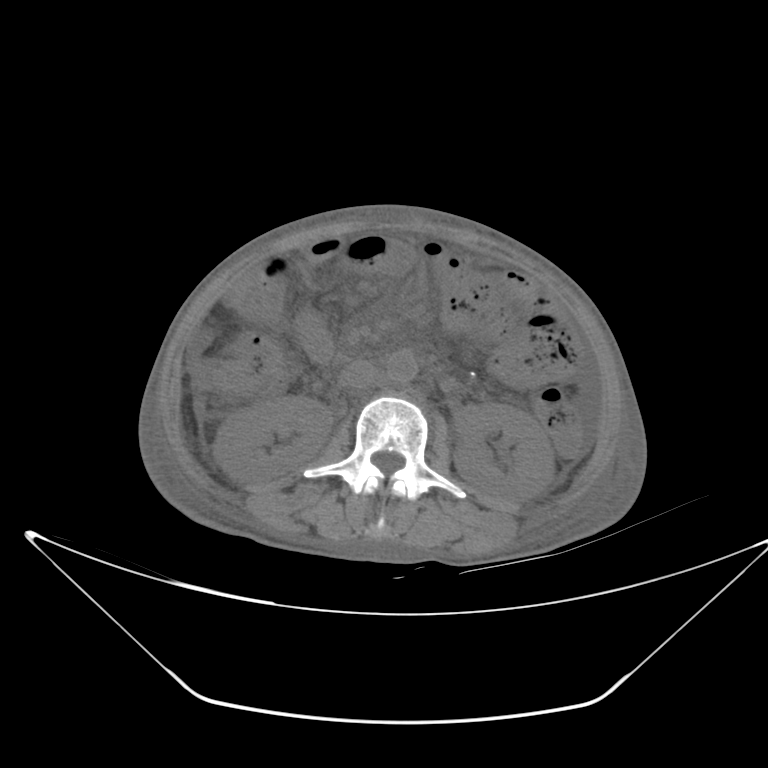

Abdominal CT — axial plane, index 60 — 768x768 px — 56-year-old female patient — acquired on Brilliance16
Boxes are (x1, y1, x2, y2) in pixels.
Organ bounding boxes:
- duodenum: (295, 310, 334, 367)
- inferior vena cava: (341, 359, 379, 390)
- right kidney: (213, 396, 331, 485)
- left kidney: (453, 403, 554, 504)
- aorta: (387, 350, 417, 382)